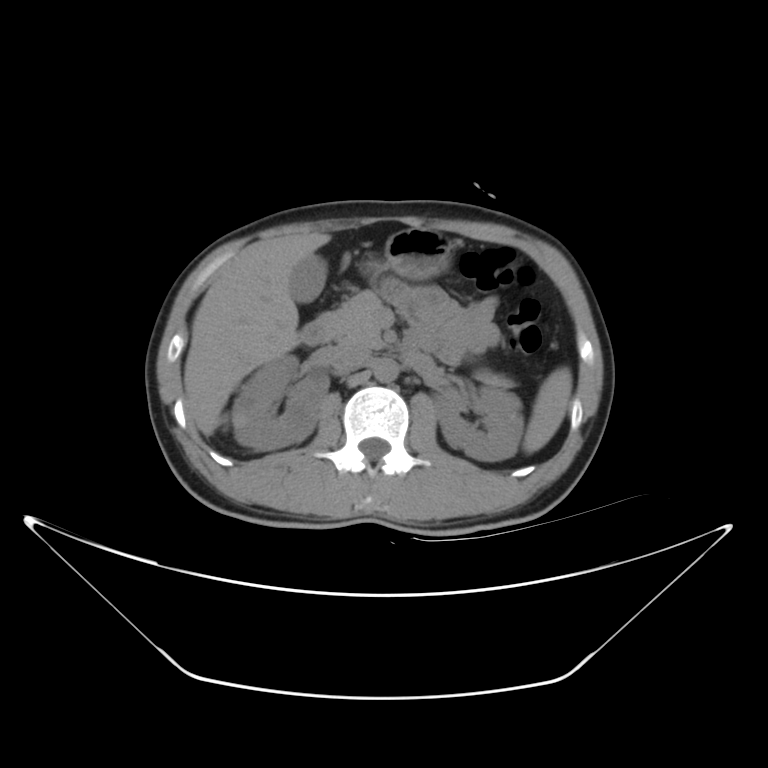
CT, abdomen/pelvis · Axial slice 65/90 · 31-year-old male patient
Boxes: x1:y1:x2:y2 in pixels.
spleen: 522:366:572:454
right kidney: 229:354:320:447
left kidney: 437:384:523:462
gall bladder: 287:254:327:301
liver: 183:231:330:434
stomach: 376:226:457:278
aorta: 373:358:398:382
inferior vena cava: 323:342:368:373
pancreas: 335:292:383:350
duodenum: 299:313:337:344